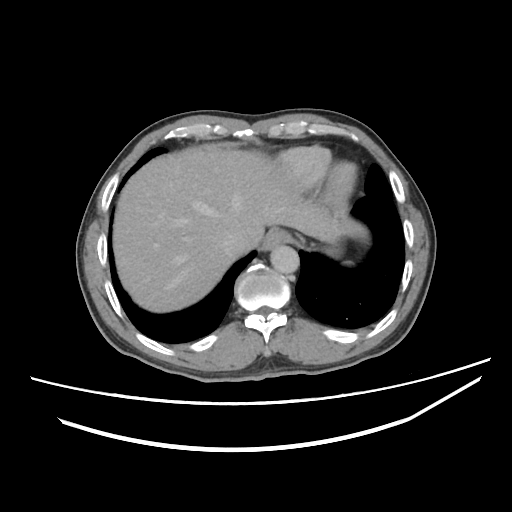

Computed tomography, abdomen · axial view · 512x512 px · 58-year-old male patient
{"organs":{"esophagus":[262,228,286,250],"liver":[111,149,369,313],"stomach":[324,236,343,254],"aorta":[271,245,299,274],"inferior vena cava":[219,233,247,258]}}